Computed tomography, abdomen — Axial slice 213/244
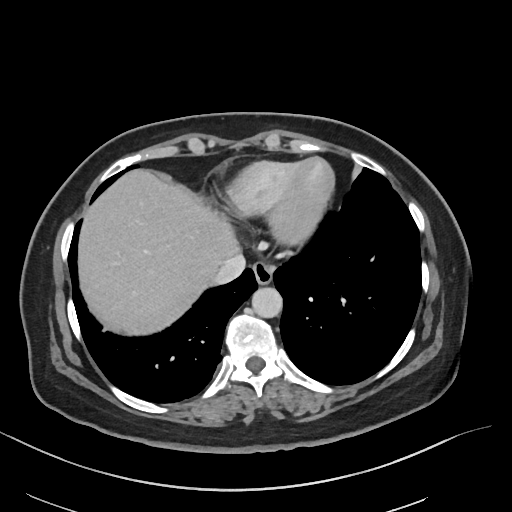
Bounding boxes in pixels, one row per box: x1, y1 is the top-left corner and x2, y2 the bottom-right.
| organ | x1 | y1 | x2 | y2 |
|---|---|---|---|---|
| esophagus | 253 | 263 | 274 | 284 |
| liver | 78 | 170 | 238 | 335 |
| aorta | 251 | 287 | 282 | 318 |
| inferior vena cava | 213 | 253 | 245 | 284 |